CT, abdomen/pelvis; axial view; soft-tissue window
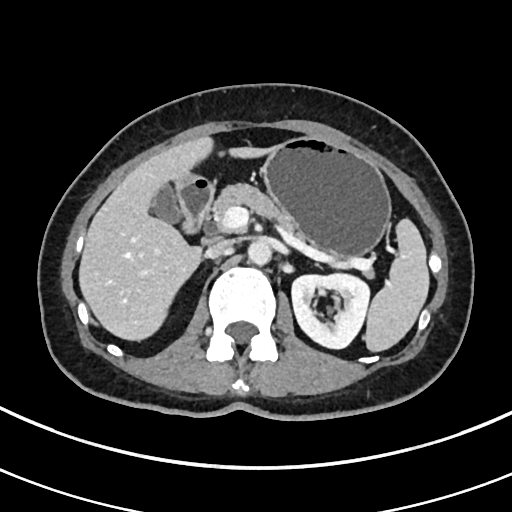 {"organs":{"spleen":[363,219,429,351],"left kidney":[291,273,369,348],"gall bladder":[150,185,181,223],"liver":[78,136,274,340],"stomach":[262,136,391,257],"aorta":[247,239,271,265],"inferior vena cava":[206,240,230,257],"pancreas":[211,183,304,237],"duodenum":[176,174,213,233]}}